Abdominal CT; axial view
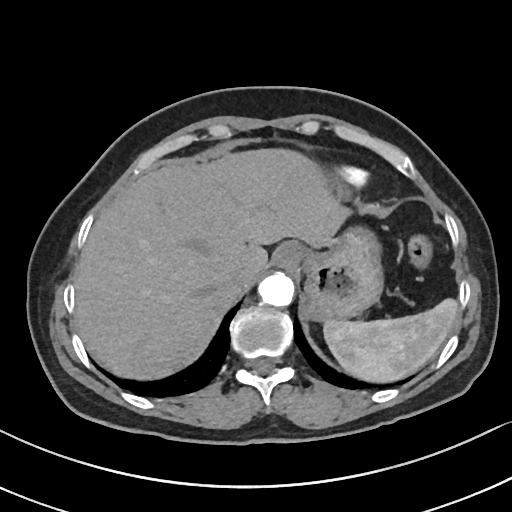 {"organs":{"esophagus":[271,242,302,270],"spleen":[323,299,457,380],"inferior vena cava":[224,261,258,286],"liver":[74,151,346,378],"aorta":[258,274,294,306],"stomach":[303,227,381,319]}}